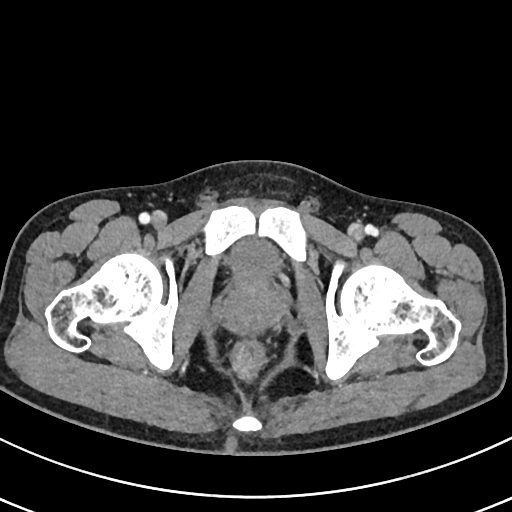
Computed tomography, abdomen; axial plane, index 17; soft-tissue window (W 400 / L 40); scan has 15 labeled organs (that count is for the whole scan; organs this slice misses have no box)
Boxes: x1:y1:x2:y2 in pixels.
Organ bounding boxes:
- bladder: 230:238:283:277
- prostate/uterus: 221:276:284:330